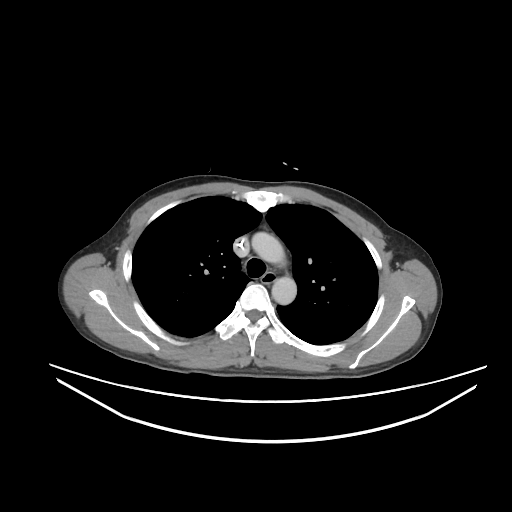

CT of the abdomen extending into the chest, slice through the chest — axial view — scan has 15 labeled organs (a whole-scan count: organs this slice does not pass through have no box)
At this level of the chest no structure but the esophagus and the aorta has a label in this dataset, and those two are boxed only where they are labeled.
Bounding boxes in pixels, one row per box: x1, y1 is the top-left corner and x2, y2 the bottom-right.
| organ | x1 | y1 | x2 | y2 |
|---|---|---|---|---|
| aorta | 251 | 232 | 285 | 264 |
| aorta | 271 | 276 | 296 | 304 |
| esophagus | 261 | 272 | 274 | 284 |